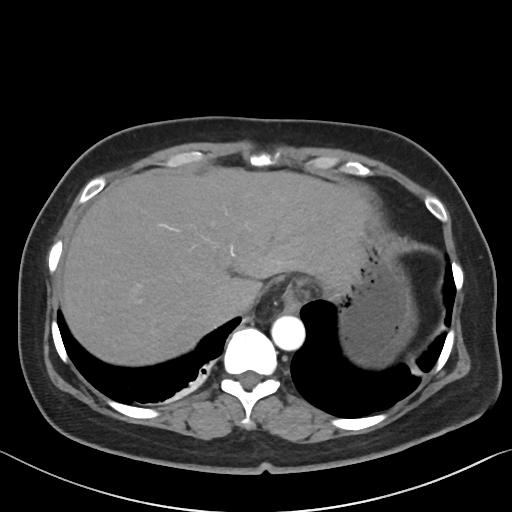 CT abdomen · axial view · abdomen soft-tissue window
{"organs":{"esophagus":[282,288,300,313],"liver":[61,168,369,365],"stomach":[320,233,418,368],"aorta":[271,315,304,350],"inferior vena cava":[218,290,255,316]}}